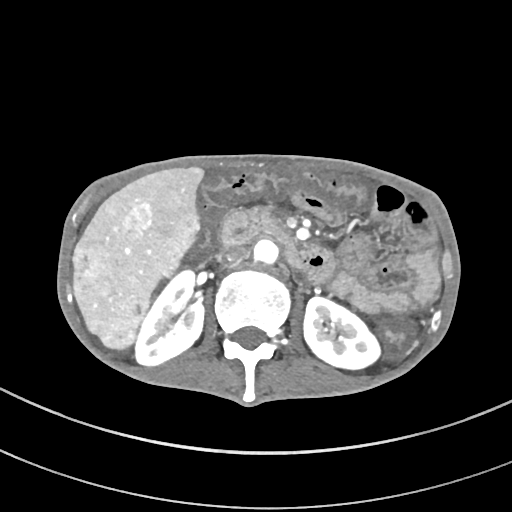 CT abdomen · axial plane, index 131 · 512x512 px · SOMATOM Force scanner
{"organs":{"right kidney":[135,270,204,365],"left kidney":[304,297,379,369],"liver":[72,167,203,349],"aorta":[254,239,278,263],"inferior vena cava":[225,247,249,263],"duodenum":[221,210,334,282]}}